Abdominal CT. axial plane, index 55. 512x512 px
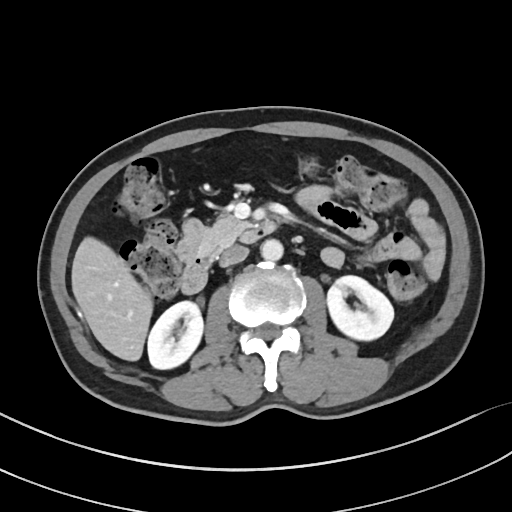 Coordinates as <box>x1,y1,x2,y2</box> in pixels. The annotated organs in this slice are: duodenum at <box>176,220,276,294</box>, right kidney at <box>147,301,203,369</box>, pancreas at <box>188,215,246,257</box>, aorta at <box>260,239,283,260</box>, inferior vena cava at <box>219,245,248,267</box>, liver at <box>71,237,152,360</box>, left kidney at <box>327,275,394,340</box>.